Computed tomography, abdomen · axial plane, index 84 · abdomen soft-tissue window · scan has 15 labeled organs (counted over the whole 3D scan, not this slice; an organ is boxed only where this slice passes through it)
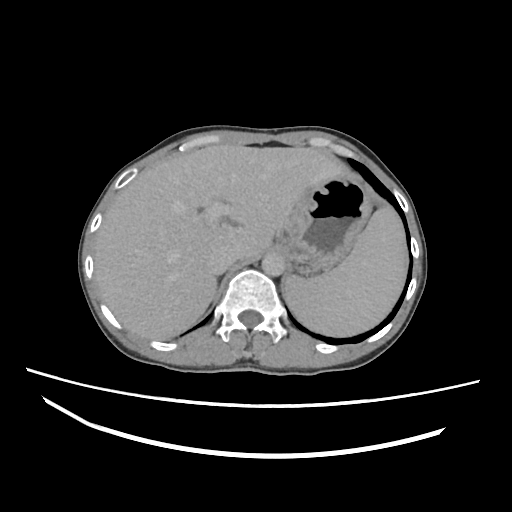
<organs><organ name="spleen" x1="285" y1="192" x2="409" y2="337"/><organ name="liver" x1="94" y1="142" x2="342" y2="339"/><organ name="stomach" x1="276" y1="173" x2="373" y2="276"/><organ name="aorta" x1="262" y1="252" x2="286" y2="276"/><organ name="inferior vena cava" x1="207" y1="246" x2="234" y2="274"/></organs>